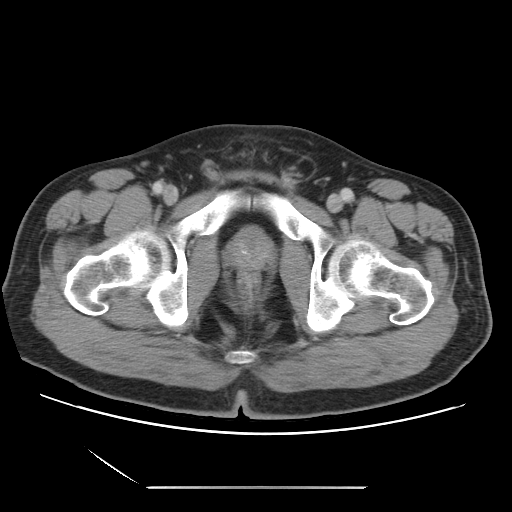
CT abdomen; axial view; 512x512 px
<organs><organ name="prostate/uterus" x1="226" y1="227" x2="272" y2="270"/></organs>